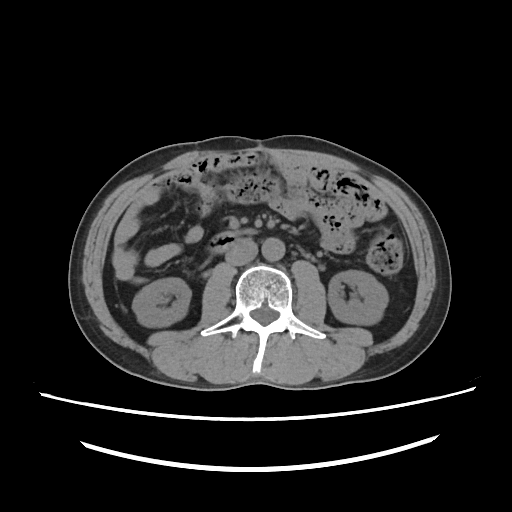

CT, abdomen/pelvis · axial view · 55-year-old male patient
{"organs":{"right kidney":[133,277,189,329],"left kidney":[327,270,388,325],"aorta":[262,235,286,261],"inferior vena cava":[226,238,257,264],"duodenum":[204,230,245,253]}}